Abdominal CT; axial view; soft-tissue window (W 400 / L 40); scan has 15 labeled organs (a whole-scan count: organs this slice does not pass through have no box)
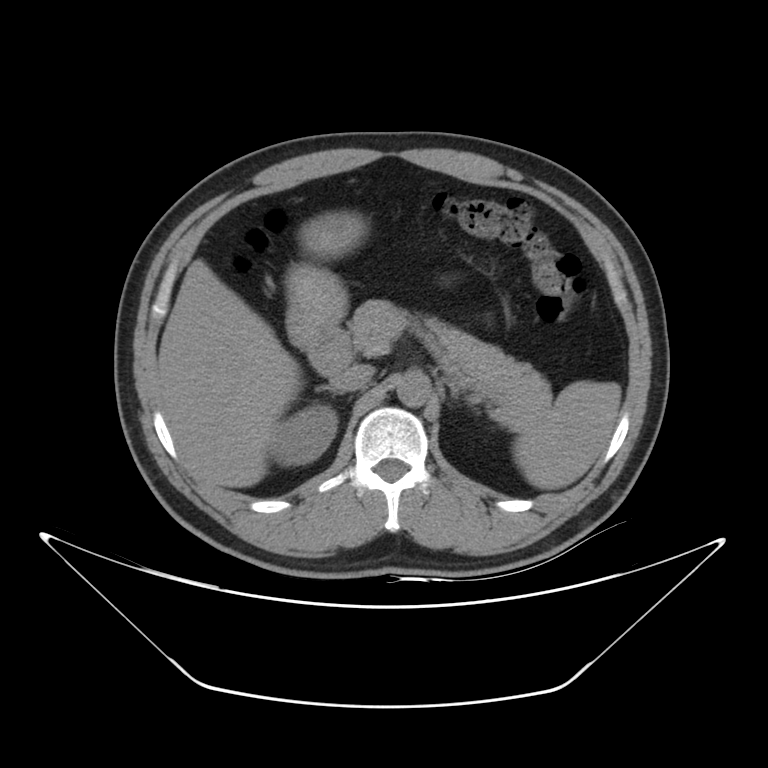

Coordinates as <box>x1,y1,x2,y2</box> in pixels. Labeled organs on this slice: spleen at <box>512,381,620,489</box>, right kidney at <box>270,405,336,466</box>, liver at <box>157,259,301,488</box>, stomach at <box>286,212,364,348</box>, aorta at <box>396,369,431,407</box>, inferior vena cava at <box>329,364,373,391</box>, pancreas at <box>349,300,551,415</box>, right adrenal gland at <box>315,386,340,395</box>, left adrenal gland at <box>441,378,471,400</box>, duodenum at <box>306,325,351,375</box>.